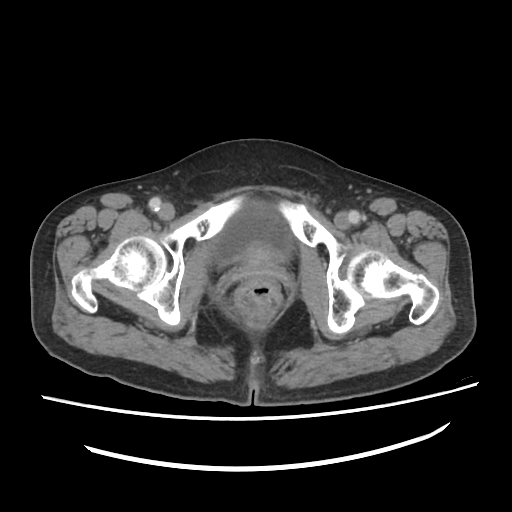

CT abdomen. axial view. soft-tissue window. 512x512 px
Boxes: x1 y1 x2 y2 (pixel coords, space-separated).
bladder: 214 203 291 259